Abdominal CT. axial view. abdomen soft-tissue window
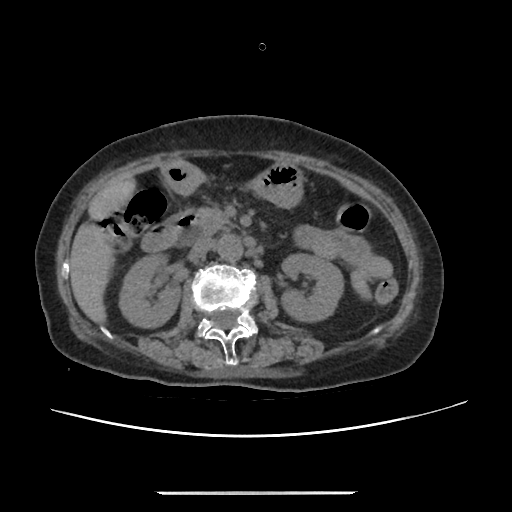

{"organs":{"right kidney":[120,253,180,327],"left kidney":[281,254,343,320],"liver":[70,179,133,321],"stomach":[164,163,302,207],"aorta":[216,234,242,261],"inferior vena cava":[189,240,212,260],"pancreas":[200,207,235,235],"duodenum":[141,209,205,252]}}